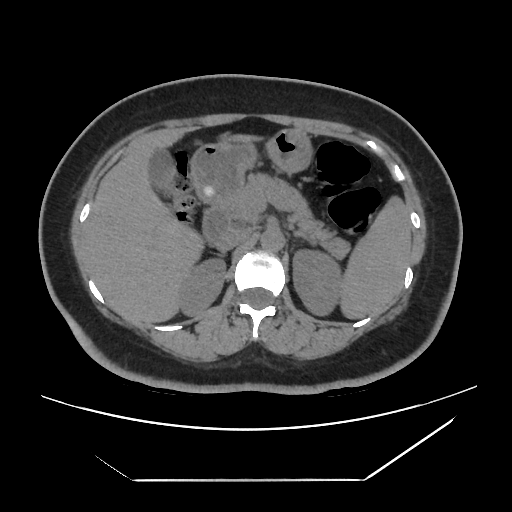
Abdominal CT — axial plane, index 234
Boxes: x1:y1:x2:y2 in pixels.
Organ bounding boxes:
- spleen: 340:196:411:319
- right kidney: 179:258:225:315
- left kidney: 293:249:342:315
- gall bladder: 149:149:174:190
- liver: 83:129:203:323
- stomach: 190:129:312:203
- aorta: 260:228:284:251
- inferior vena cava: 215:229:250:251
- pancreas: 229:173:349:258
- right adrenal gland: 218:252:225:255
- left adrenal gland: 294:231:315:245
- duodenum: 202:204:230:244